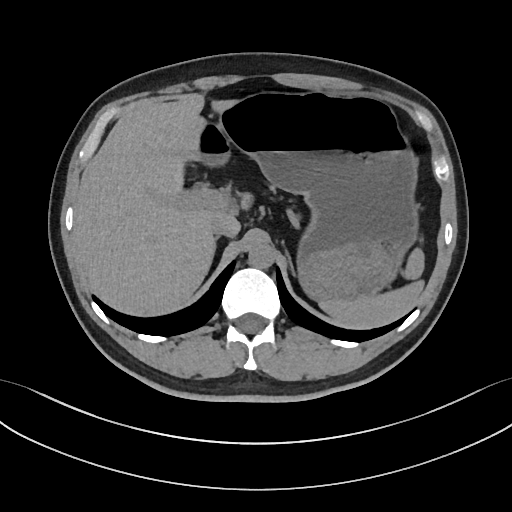 CT abdomen — axial view — soft-tissue window (W 400 / L 40)
Boxes: x1 y1 x2 y2 (pixel coords, space-separated). Labeled organs on this slice: spleen at 320 247 425 329, aorta at 248 242 274 268, inferior vena cava at 211 217 238 237, left adrenal gland at 284 244 294 275, liver at 73 99 235 317, stomach at 194 93 418 298.